CT abdomen. axial plane, index 101. 512x512 px. 15 organs annotated in this scan (that count is for the whole scan; organs this slice misses have no box)
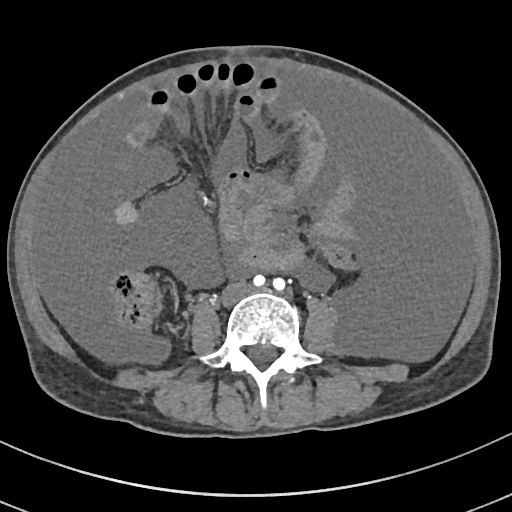 Bounding boxes in pixels, one row per box: x1, y1 is the top-left corner and x2, y2 the bottom-right.
| organ | x1 | y1 | x2 | y2 |
|---|---|---|---|---|
| inferior vena cava | 222 | 283 | 250 | 304 |